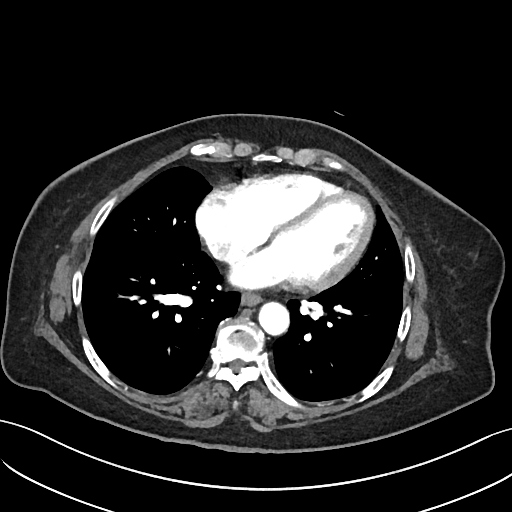 CT of the abdomen reaching into the lower chest, slice just above the liver and spleen; axial plane, index 194
Of the structures in the chest, this dataset labels only the esophagus, the aorta and the inferior vena cava; the heart and lungs have no label.
Organ boxes in pixel coordinates; each row gives the top-left (x1, y1) and bottom-right (x2, y2) corners.
| organ | x1 | y1 | x2 | y2 |
|---|---|---|---|---|
| esophagus | 241 | 293 | 261 | 306 |
| aorta | 258 | 302 | 289 | 335 |